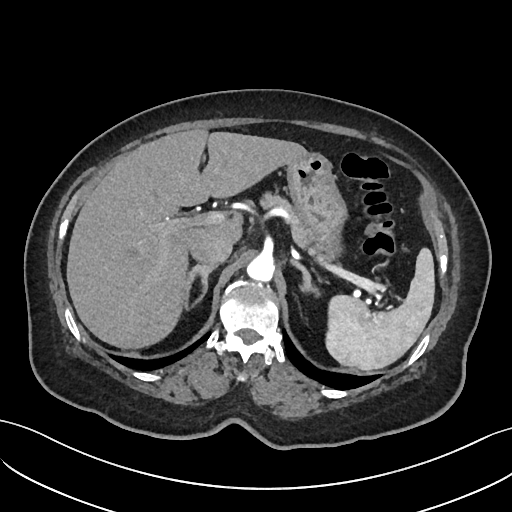

CT, abdomen/pelvis — axial plane, index 148
Coordinates as <box>x1,y1,x2,y2</box> in pixels. 8 labeled organs on this slice — spleen at <box>324,247,434,369</box>; liver at <box>66,129,309,348</box>; stomach at <box>287,154,348,260</box>; aorta at <box>246,254,274,283</box>; inferior vena cava at <box>191,237,232,265</box>; pancreas at <box>263,194,322,263</box>; right adrenal gland at <box>185,265,216,310</box>; left adrenal gland at <box>290,261,319,294</box>.